CT, abdomen/pelvis · axial view
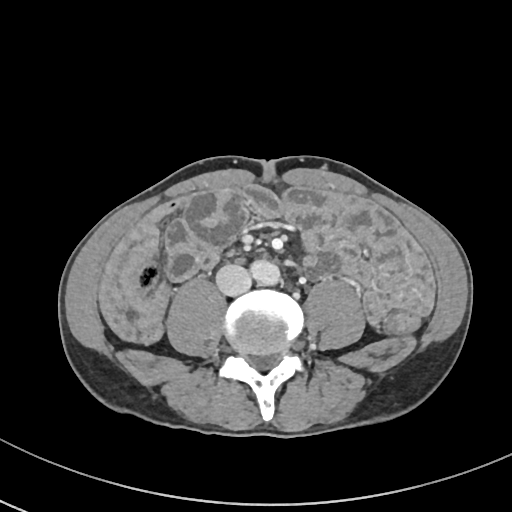
{"organs":{"aorta":[252,259,281,285],"inferior vena cava":[216,263,252,296]}}